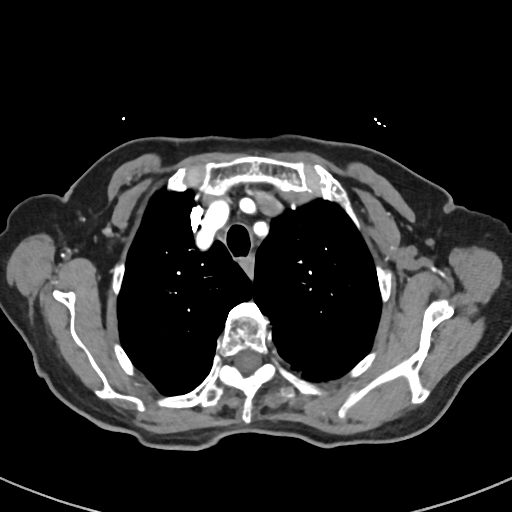

Chest-level slice from an abdominal CT that extends up into the chest — axial view — scan has 15 labeled organs (that count is for the whole scan; organs this slice misses have no box)
At this level of the chest no structure but the esophagus and the aorta has a label in this dataset, and those two are boxed only where they are labeled.
<organs><organ name="esophagus" x1="238" y1="256" x2="254" y2="277"/></organs>